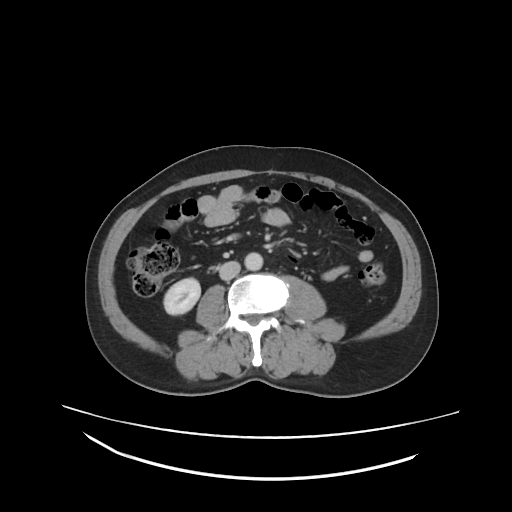 Computed tomography, abdomen. axial view. 512x512 px. 66-year-old male patient
Bounding boxes in pixels, one row per box: x1, y1 is the top-left corner and x2, y2 the bottom-right.
| organ | x1 | y1 | x2 | y2 |
|---|---|---|---|---|
| right kidney | 163 | 278 | 200 | 315 |
| aorta | 244 | 254 | 262 | 270 |
| inferior vena cava | 219 | 262 | 240 | 280 |